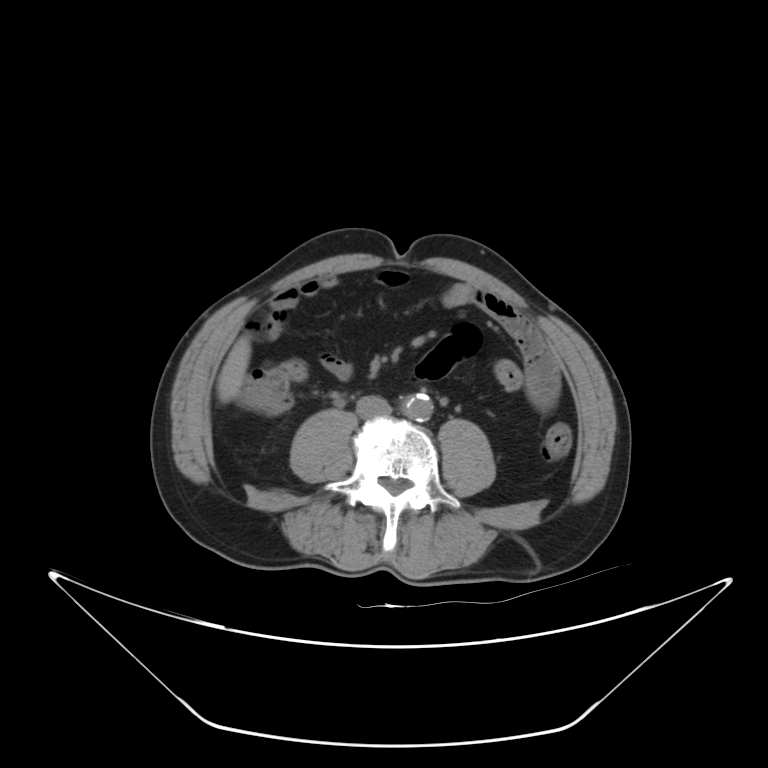 CT, abdomen/pelvis — Axial slice 51/83 — W/L 400/40 HU — 59-year-old male patient
<organs><organ name="liver" x1="217" y1="336" x2="251" y2="402"/><organ name="aorta" x1="402" y1="393" x2="433" y2="422"/><organ name="inferior vena cava" x1="357" y1="396" x2="391" y2="416"/></organs>